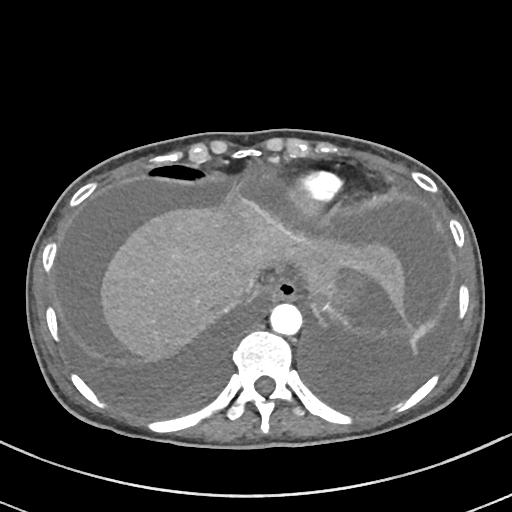 Abdominal CT — axial plane, index 202 — soft-tissue window — 512x512 px
One row per box, in pixels: columns x1 and y1 give the top-left corner, x2 and y2 the bottom-right.
| organ | x1 | y1 | x2 | y2 |
|---|---|---|---|---|
| inferior vena cava | 226 | 278 | 256 | 306 |
| aorta | 270 | 303 | 302 | 335 |
| liver | 102 | 205 | 404 | 357 |
| stomach | 325 | 270 | 365 | 312 |
| esophagus | 269 | 278 | 298 | 300 |